Abdominal CT · Axial slice 177/236 · abdomen soft-tissue window · 512x512 px · acquired on SOMATOM Force
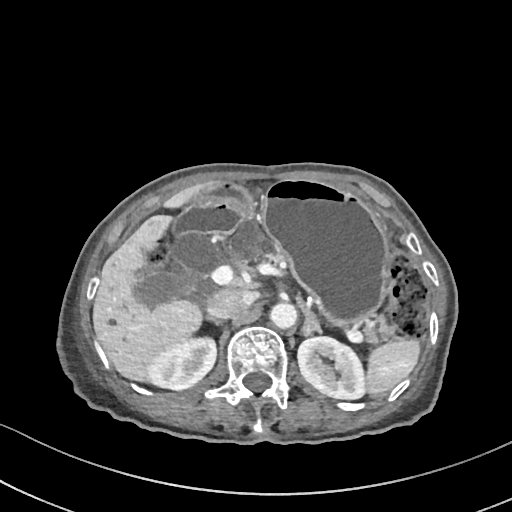

Organ boxes in pixel coordinates; each row gives the top-left (x1, y1) and bottom-right (x2, y2) corners.
| organ | x1 | y1 | x2 | y2 |
|---|---|---|---|---|
| spleen | 364 | 342 | 421 | 392 |
| right kidney | 151 | 339 | 216 | 389 |
| left kidney | 298 | 336 | 363 | 399 |
| gall bladder | 138 | 272 | 190 | 306 |
| liver | 93 | 181 | 220 | 382 |
| stomach | 194 | 180 | 392 | 326 |
| aorta | 270 | 301 | 296 | 328 |
| inferior vena cava | 208 | 289 | 256 | 319 |
| pancreas | 228 | 216 | 388 | 340 |
| right adrenal gland | 206 | 318 | 225 | 327 |
| left adrenal gland | 302 | 311 | 322 | 336 |
| duodenum | 174 | 203 | 241 | 236 |